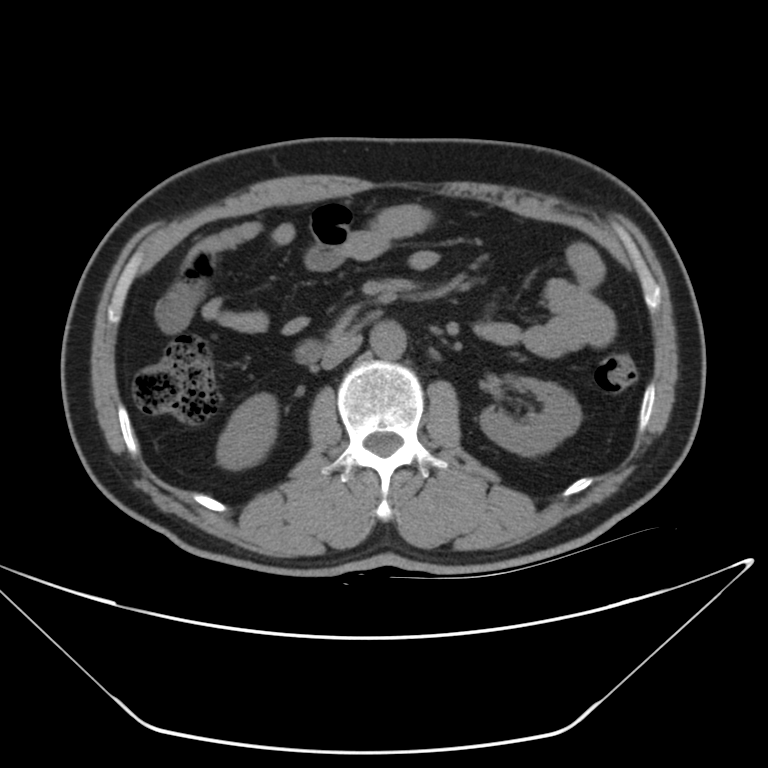

CT, abdomen/pelvis; axial view; soft-tissue window (W 400 / L 40); 45-year-old male patient
Each box given as x1,y1,x2,y2.
right kidney: x1=219, y1=393, x2=277, y2=465
left kidney: x1=483, y1=377, x2=579, y2=453
aorta: x1=372, y1=322, x2=405, y2=358
inferior vena cava: x1=321, y1=334, x2=362, y2=370
duodenum: x1=296, y1=343, x2=321, y2=360